CT abdomen. axial view. W/L 400/40 HU
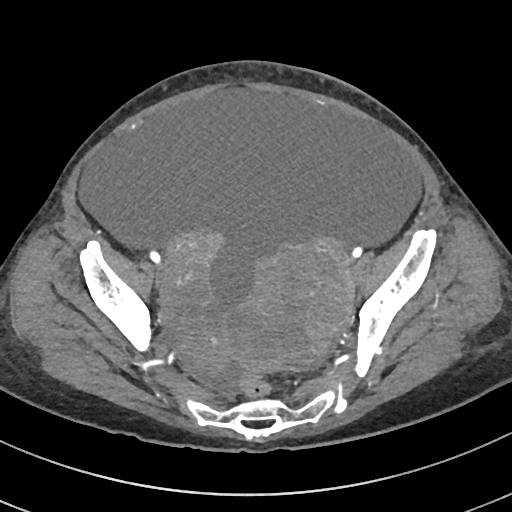

<organs><organ name="duodenum" x1="266" y1="291" x2="286" y2="321"/></organs>